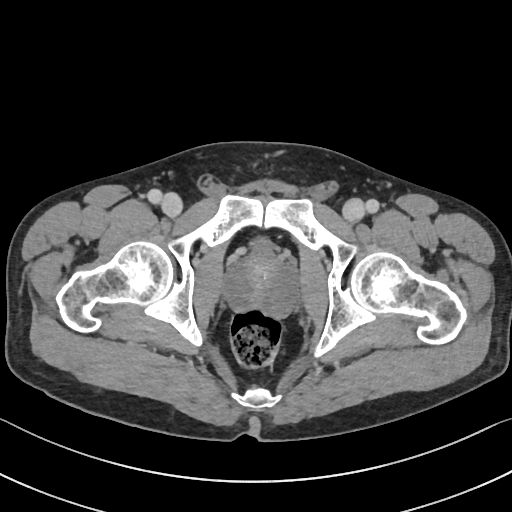

CT abdomen — axial view — abdomen soft-tissue window — acquired on SOMATOM Force
Boxes: x1:y1:x2:y2 in pixels.
prostate/uterus: 227:251:297:316